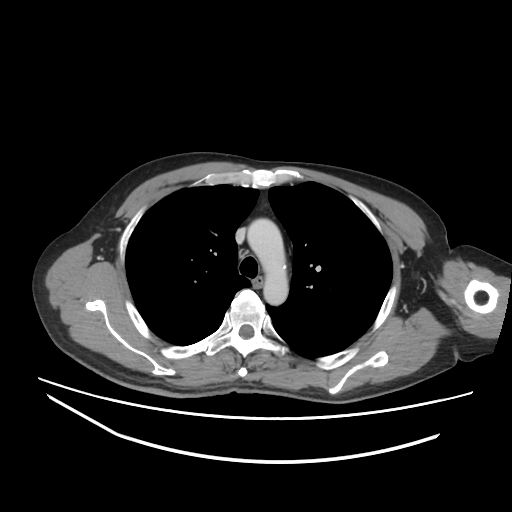 CT of the abdomen extending into the chest, slice through the chest — Axial slice 109/128 — 54-year-old male patient — scan has 15 labeled organs (a whole-scan count: organs this slice does not pass through have no box)
At this level of the chest no structure but the esophagus and the aorta has a label in this dataset, and those two are boxed only where they are labeled.
Coordinates as <box>x1,y1,x2,y2</box> in pixels.
esophagus: <box>252,277,263,289</box>
aorta: <box>247,218,288,305</box>